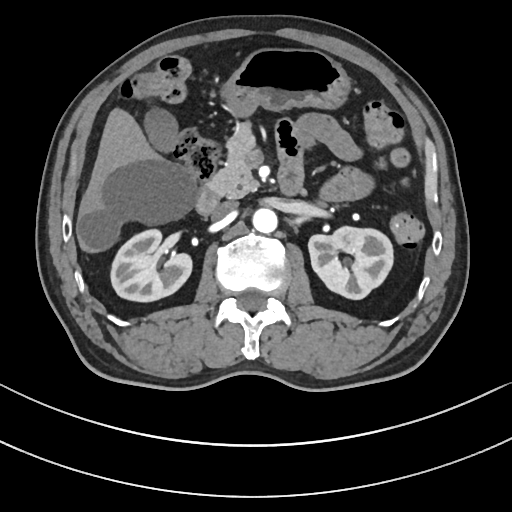 CT abdomen — Axial slice 133/280 — soft-tissue window — scan has 15 labeled organs (a whole-scan count: organs this slice does not pass through have no box)
{"organs":{"right kidney":[111,230,192,302],"left kidney":[308,226,392,299],"gall bladder":[143,107,178,152],"liver":[77,106,198,253],"stomach":[223,49,350,120],"aorta":[253,209,278,233],"inferior vena cava":[210,201,237,221],"pancreas":[208,123,257,197],"duodenum":[196,166,303,213]}}